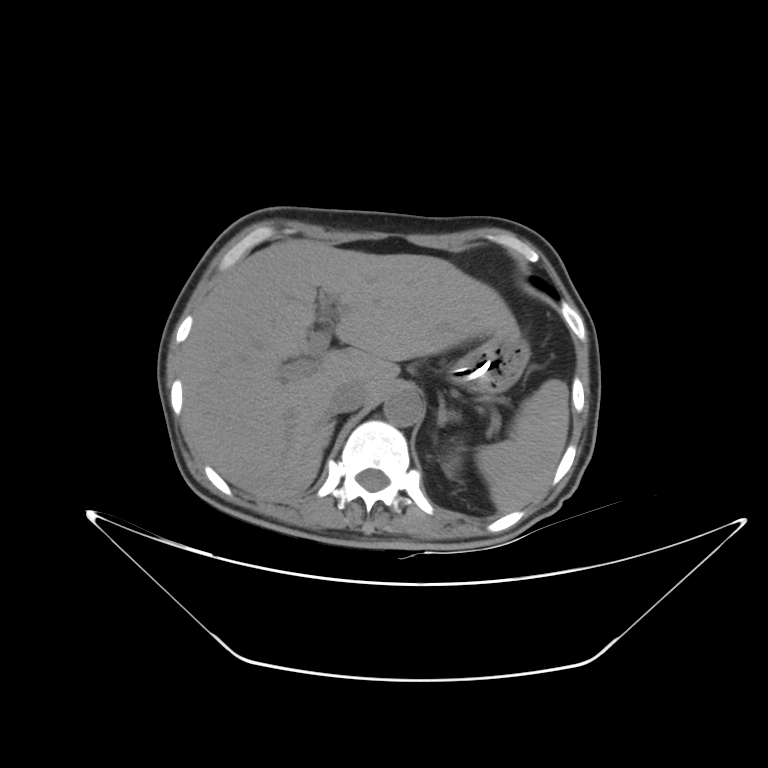

CT, abdomen/pelvis · Axial slice 79/101 · abdomen soft-tissue window · 768x768 px
{"organs":{"spleen":[475,379,569,513],"left kidney":[442,449,462,476],"liver":[181,239,516,501],"stomach":[449,330,529,393],"aorta":[384,389,423,426],"inferior vena cava":[329,382,366,413],"right adrenal gland":[324,422,334,448],"left adrenal gland":[437,398,460,426]}}